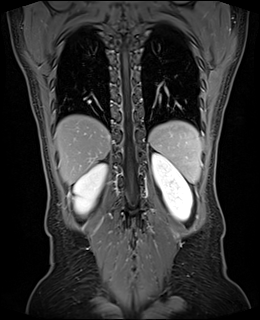
MRI, abdomen. coronal view. percentile-normalized
Boxes: x1:y1:x2:y2 in pixels. Labeled organs on this slice: spleen at 149:121:201:183, right kidney at 73:163:106:215, left kidney at 152:153:192:220, liver at 55:115:110:184.